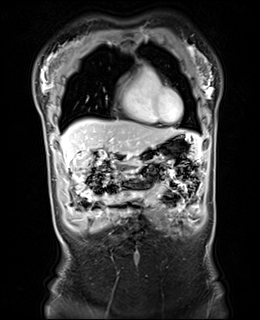

Magnetic resonance imaging, abdomen; coronal view
{"organs":{"duodenum":[110,152,123,161],"liver":[60,119,199,164],"stomach":[117,132,202,165]}}